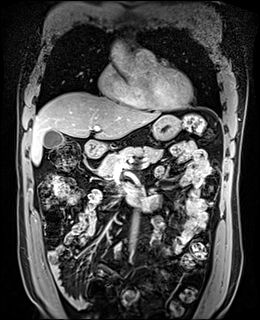 Magnetic resonance imaging, abdomen — Coronal slice 91/144 — 260x320 px
Boxes: x1 y1 x2 y2 (pixel coords, space-separated). 6 labeled organs on this slice — liver at 30 92 160 164; aorta at 108 42 145 82; aorta at 130 215 138 249; stomach at 152 115 180 140; gall bladder at 44 130 64 148; duodenum at 84 139 149 205; pancreas at 99 146 163 178.